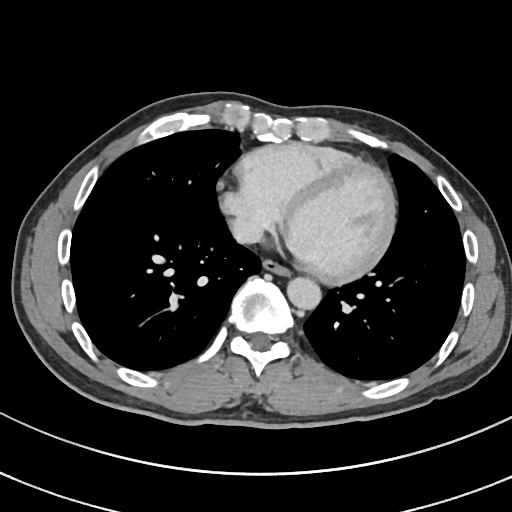
CT of the abdomen reaching into the lower chest, slice just above the liver and spleen; Axial slice 191/298; 15 organs annotated in this scan (a whole-scan count: organs this slice does not pass through have no box)
No part of the heart or lungs is labeled in this dataset, so neither has a box here.
Bounding boxes as [x1, y1, x2, y2] in pixel coordinates.
Organ bounding boxes:
- esophagus: [262, 261, 290, 276]
- aorta: [287, 277, 321, 310]
- inferior vena cava: [232, 218, 262, 243]